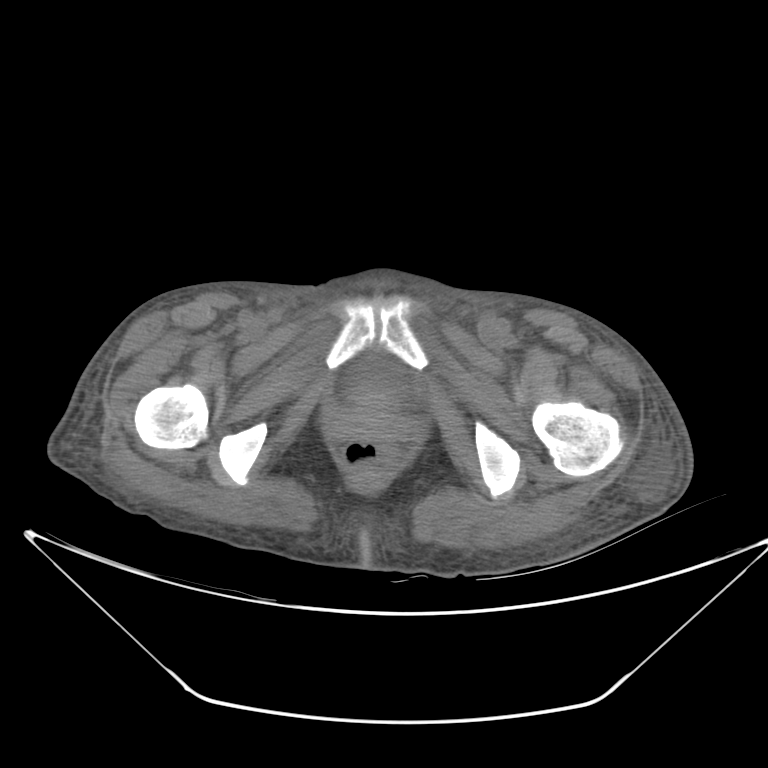 CT abdomen. Axial slice 11/105. 768x768 px. acquired on Brilliance16
{"organs":{"bladder":[344,359,409,396]}}